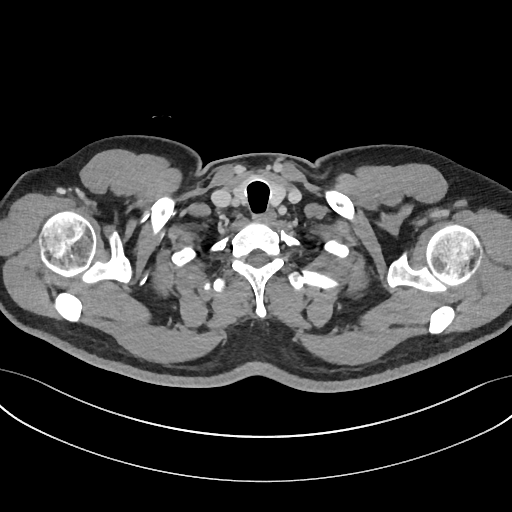
CT of the abdomen extending into the chest, slice through the chest; axial view; 512x512 px; acquired on SOMATOM Force
On a slice this high in the chest, this dataset labels only the esophagus and the aorta, and each is boxed only where it is labeled; the heart, lungs and other chest structures are not labeled.
Boxes are (x1, y1, x2, y2) in pixels.
esophagus: (265, 212, 275, 222)